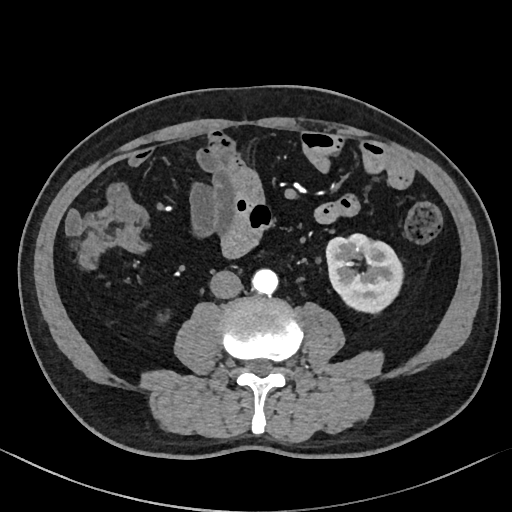

Abdominal CT; axial view; abdomen soft-tissue window; 512x512 px
<organs><organ name="left kidney" x1="326" y1="234" x2="403" y2="312"/><organ name="aorta" x1="252" y1="269" x2="277" y2="294"/><organ name="inferior vena cava" x1="209" y1="270" x2="242" y2="298"/></organs>